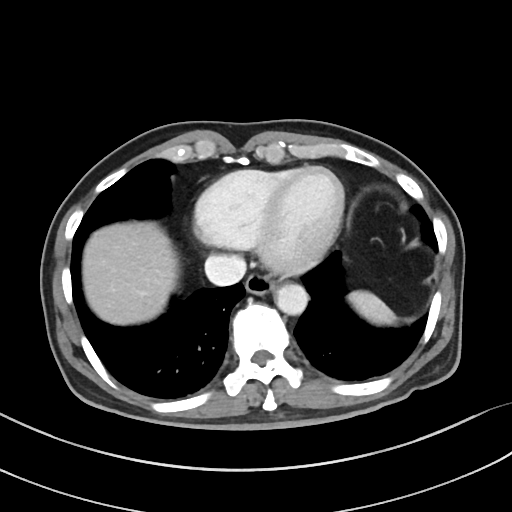 Abdominal CT; axial view
Bounding boxes as [x1, y1, x2, y2] in pixel coordinates.
spleen: [348, 291, 396, 324]
esophagus: [245, 273, 274, 294]
liver: [82, 221, 178, 325]
aorta: [275, 284, 307, 314]
inferior vena cava: [205, 255, 246, 286]